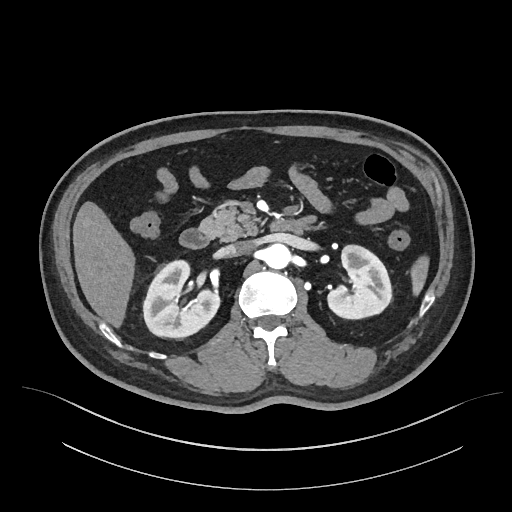 CT, abdomen/pelvis. axial plane, index 164. soft-tissue window (W 400 / L 40)
<organs><organ name="spleen" x1="412" y1="255" x2="427" y2="294"/><organ name="right kidney" x1="143" y1="259" x2="218" y2="337"/><organ name="left kidney" x1="327" y1="244" x2="391" y2="318"/><organ name="liver" x1="73" y1="201" x2="133" y2="326"/><organ name="aorta" x1="264" y1="243" x2="290" y2="268"/><organ name="inferior vena cava" x1="223" y1="241" x2="253" y2="255"/><organ name="pancreas" x1="199" y1="204" x2="263" y2="241"/><organ name="duodenum" x1="179" y1="217" x2="313" y2="248"/></organs>